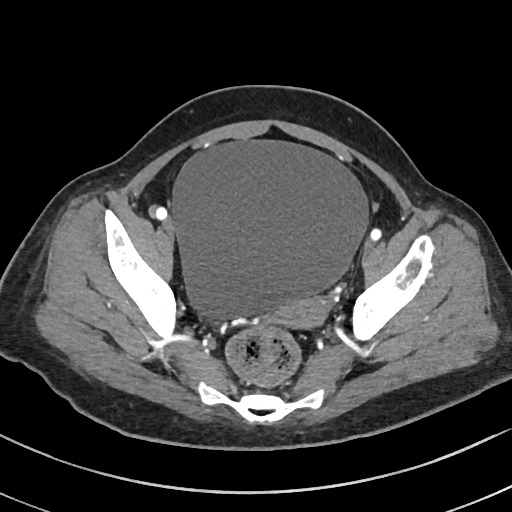

CT abdomen · axial view · 512x512 px
Organ boxes in pixel coordinates; each row gives the top-left (x1, y1) and bottom-right (x2, y2) corners.
| organ | x1 | y1 | x2 | y2 |
|---|---|---|---|---|
| prostate/uterus | 278 | 299 | 327 | 327 |
| bladder | 173 | 141 | 369 | 320 |